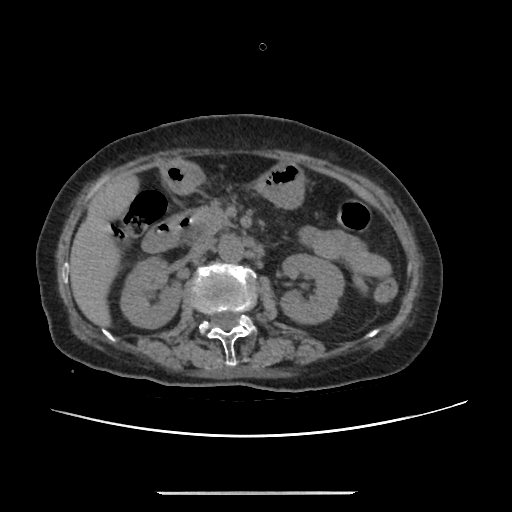 CT, abdomen/pelvis; axial view; soft-tissue window; 512x512 px
Coordinates as <box>x1,y1,x2,y2</box> in pixels. Labeled organs on this slice: right kidney at <box>120,257,183,328</box>, left kidney at <box>280,254,344,324</box>, liver at <box>70,174,140,327</box>, stomach at <box>163,160,306,209</box>, aorta at <box>218,236,244,263</box>, inferior vena cava at <box>188,242,210,260</box>, pancreas at <box>193,198,233,236</box>, duodenum at <box>142,211,207,253</box>.